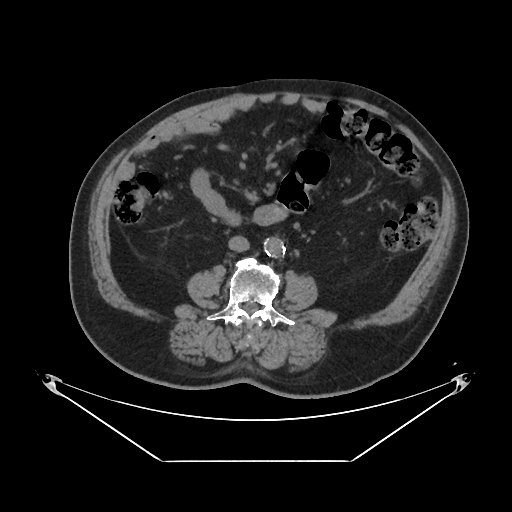

CT abdomen. axial plane, index 181. acquired on SOMATOM Force
<organs><organ name="aorta" x1="265" y1="238" x2="285" y2="258"/><organ name="inferior vena cava" x1="228" y1="236" x2="249" y2="251"/></organs>